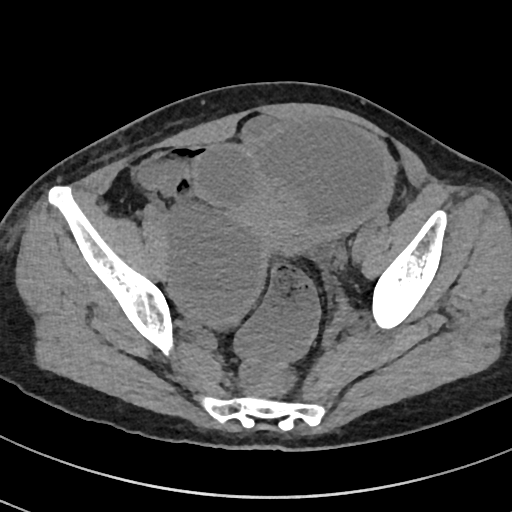

Computed tomography, abdomen — axial view — soft-tissue window (W 400 / L 40) — acquired on SOMATOM Force
{"organs":{"prostate/uterus":[236,194,299,248]}}